Computed tomography, abdomen · axial plane, index 29 · scan has 14 labeled organs (a whole-scan count: organs this slice does not pass through have no box)
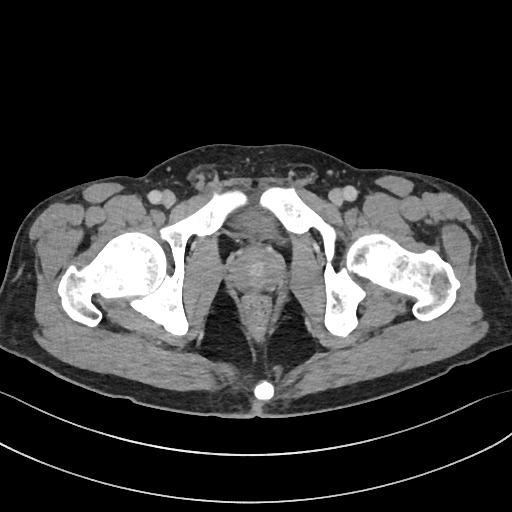

Bounding boxes in pixels, one row per box: x1, y1 is the top-left corner and x2, y2 the bottom-right.
| organ | x1 | y1 | x2 | y2 |
|---|---|---|---|---|
| bladder | 236 | 210 | 273 | 233 |
| prostate/uterus | 230 | 249 | 281 | 289 |